Computed tomography, abdomen. axial view. abdomen soft-tissue window. acquired on SOMATOM Force
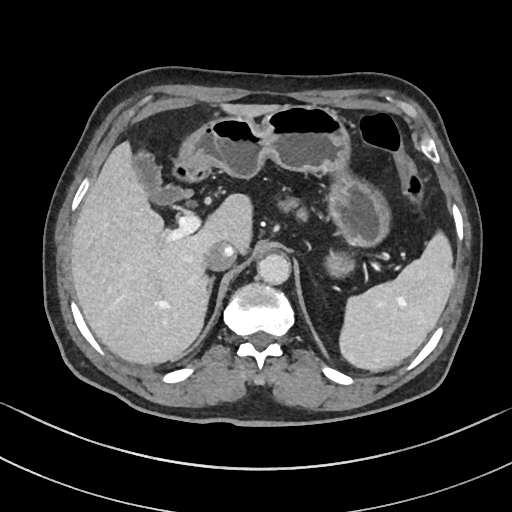 Box edges are left/top/right/bottom in pixels.
Organ bounding boxes:
- gall bladder: left=132, top=151, right=183, bottom=204
- spleen: left=339, top=231, right=455, bottom=372
- pancreas: left=279, top=197, right=306, bottom=219
- liver: left=71, top=103, right=280, bottom=364
- right adrenal gland: left=207, top=277, right=214, bottom=295
- inferior vena cava: left=204, top=241, right=236, bottom=270
- aorta: left=257, top=253, right=290, bottom=284
- duodenum: left=172, top=168, right=205, bottom=181
- stomach: left=172, top=105, right=390, bottom=276